CT abdomen — axial view — 81-year-old male patient — Aquilion ONE scanner
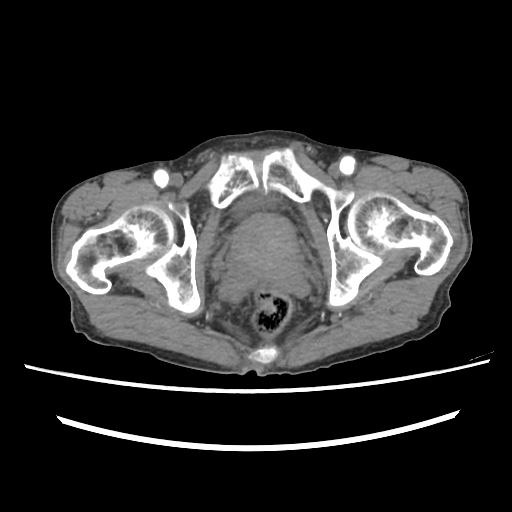 Coordinates as <box>x1,y1,x2,y2</box> in pixels.
Organ bounding boxes:
- bladder: <box>239,197,262,210</box>
- prostate/uterus: <box>229,214,298,279</box>